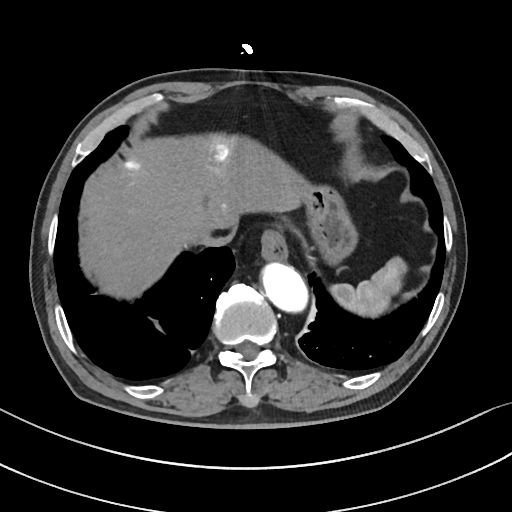 Computed tomography, abdomen; axial view; soft-tissue window; acquired on SOMATOM Force
Bounding boxes as [x1, y1, x2, y2] in pixel coordinates.
spleen: [331, 257, 406, 316]
esophagus: [260, 234, 287, 263]
liver: [78, 137, 310, 294]
stomach: [304, 189, 354, 259]
aorta: [264, 265, 309, 314]
inferior vena cava: [190, 225, 236, 246]